CT abdomen · axial plane, index 21 · abdomen soft-tissue window · acquired on SOMATOM Force · 14 organs annotated in this scan (a whole-scan count: organs this slice does not pass through have no box)
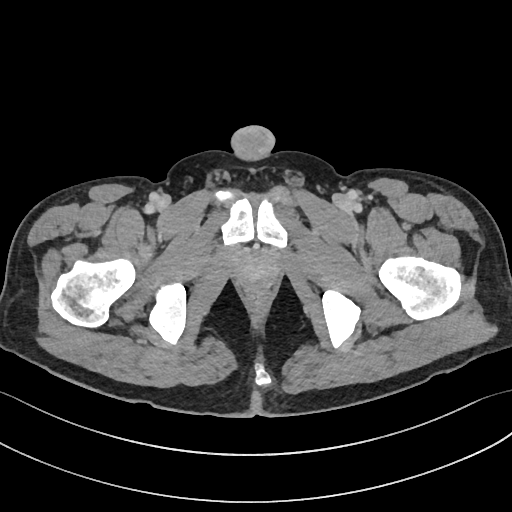 Boxes: x1 y1 x2 y2 (pixel coords, space-separated). 1 labeled organ on this slice — prostate/uterus at 240 256 275 282.